Computed tomography, abdomen · Axial slice 26/126 · abdomen soft-tissue window · 512x512 px · 45-year-old male patient
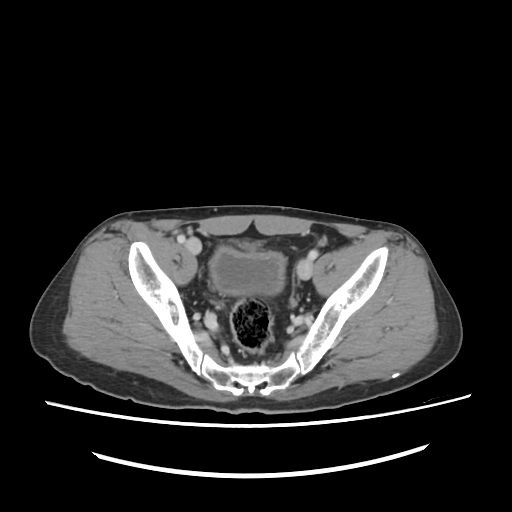 Boxes: x1:y1:x2:y2 in pixels. 1 labeled organ on this slice — bladder at 210:246:286:295.